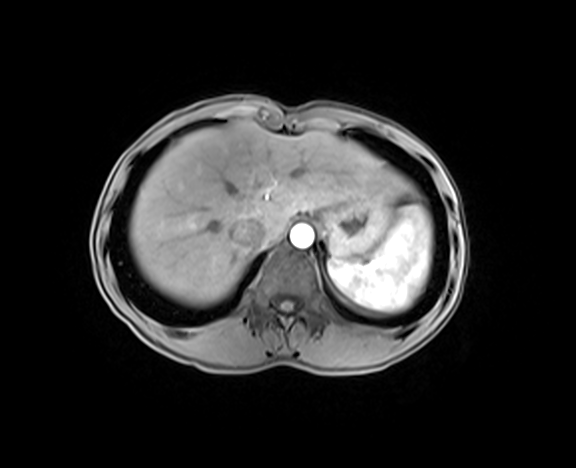

Magnetic resonance imaging, abdomen. axial view. 1st–99th percentile window. 576x468 px
Coordinates as <box>x1,y1,x2,y2</box> in pixels. The annotated organs in this slice are: spleen at <box>328,205,431,311</box>, liver at <box>129,121,400,305</box>, stomach at <box>318,194,392,257</box>, aorta at <box>290,224,313,248</box>, inferior vena cava at <box>232,220,264,246</box>.